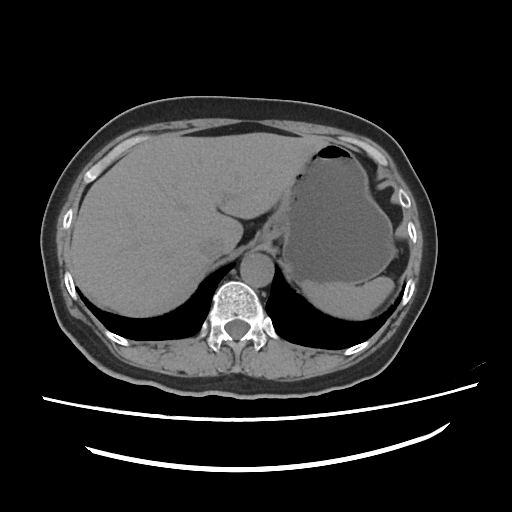
CT, abdomen/pelvis — axial view — 512x512 px — 14 organs annotated in this scan (that count is for the whole scan; organs this slice misses have no box)
<organs><organ name="liver" x1="71" y1="132" x2="328" y2="317"/><organ name="aorta" x1="240" y1="253" x2="273" y2="287"/><organ name="inferior vena cava" x1="197" y1="236" x2="225" y2="260"/><organ name="stomach" x1="260" y1="142" x2="396" y2="284"/><organ name="spleen" x1="302" y1="276" x2="393" y2="319"/></organs>